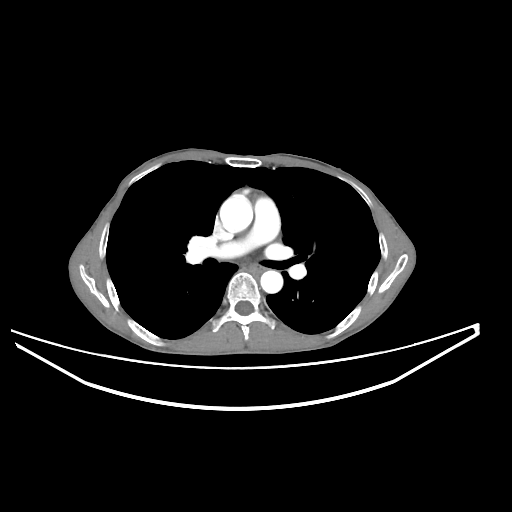 Chest-level CT slice, above the liver and spleen — Axial slice 103/131 — soft-tissue window, W/L 400/40 — 15 organs annotated in this scan (that count is for the whole scan; organs this slice misses have no box)
On a slice this high in the chest, this dataset labels only the esophagus and the aorta, and each is boxed only where it is labeled; the heart, lungs and other chest structures are not labeled. Bounding boxes as [x1, y1, x2, y2] in pixel coordinates. Labeled organs on this slice: esophagus at [253, 264, 264, 273], aorta at [220, 195, 252, 233], aorta at [260, 270, 282, 293].